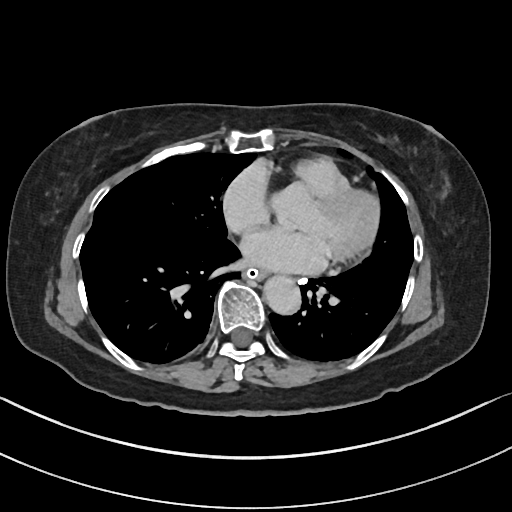

CT of the abdomen reaching into the lower chest, slice just above the liver and spleen; Axial slice 210/212; soft-tissue window (W 400 / L 40)
No part of the heart or lungs is labeled in this dataset, so neither has a box here.
{"organs":{"aorta":[265,276,302,315],"esophagus":[246,268,270,280]}}